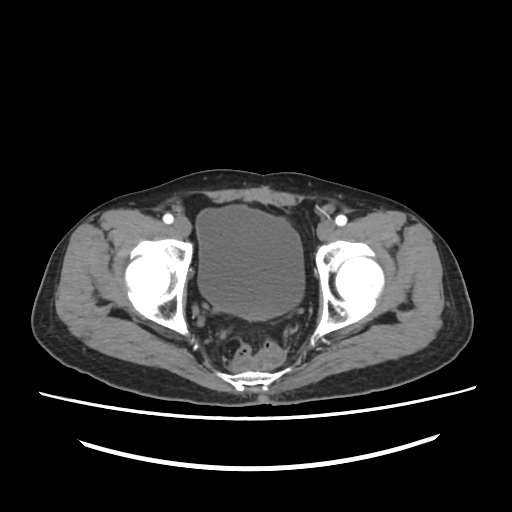
Abdominal CT · axial view · 512x512 px · 65-year-old male patient · scan has 15 labeled organs (counted over the whole 3D scan, not this slice; an organ is boxed only where this slice passes through it)
<organs><organ name="bladder" x1="196" y1="205" x2="304" y2="319"/></organs>